Computed tomography, abdomen · axial view · SOMATOM Force scanner
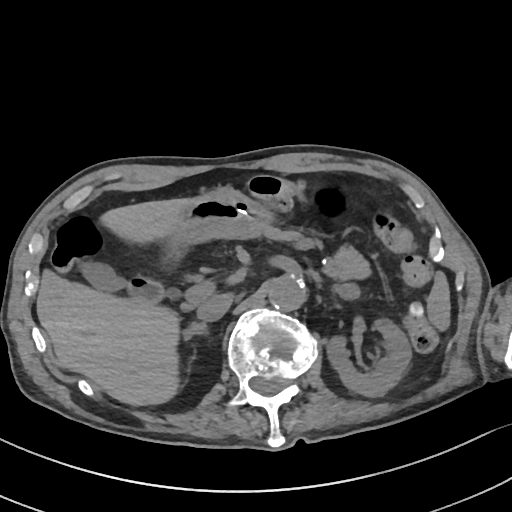 {"organs":{"spleen":[427,270,450,328],"left kidney":[327,318,411,396],"gall bladder":[81,262,124,290],"liver":[36,198,188,405],"stomach":[159,187,272,258],"aorta":[268,275,305,310],"inferior vena cava":[197,293,232,321],"pancreas":[263,226,370,279],"right adrenal gland":[183,322,207,340],"left adrenal gland":[333,285,347,297],"duodenum":[126,277,163,303]}}